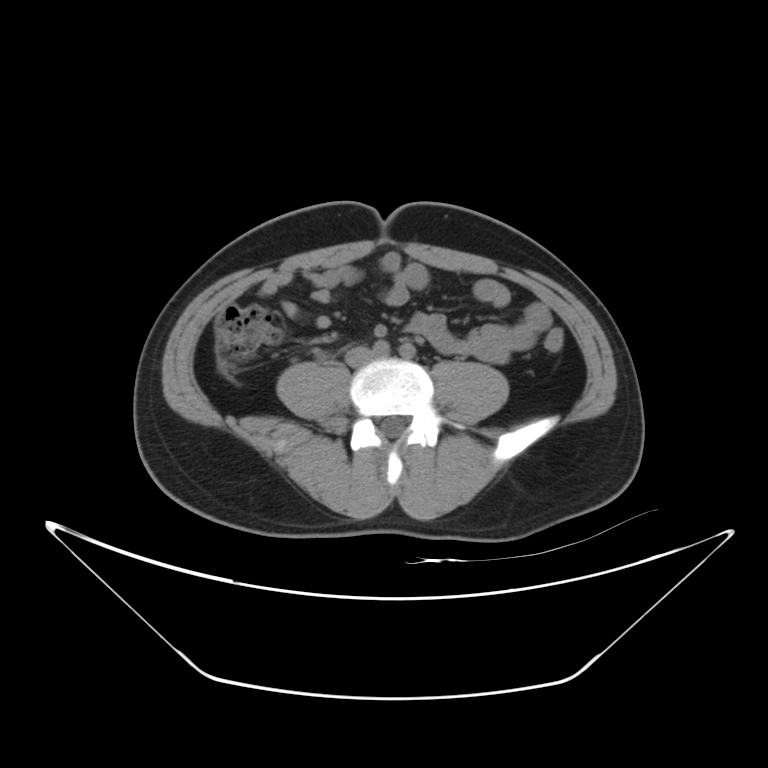 CT abdomen — axial view — scan has 15 labeled organs (that count is for the whole scan; organs this slice misses have no box)
<organs><organ name="inferior vena cava" x1="346" y1="347" x2="373" y2="366"/></organs>